Computed tomography, abdomen; axial view; 25-year-old male patient; 15 organs annotated in this scan (that count is for the whole scan; organs this slice misses have no box)
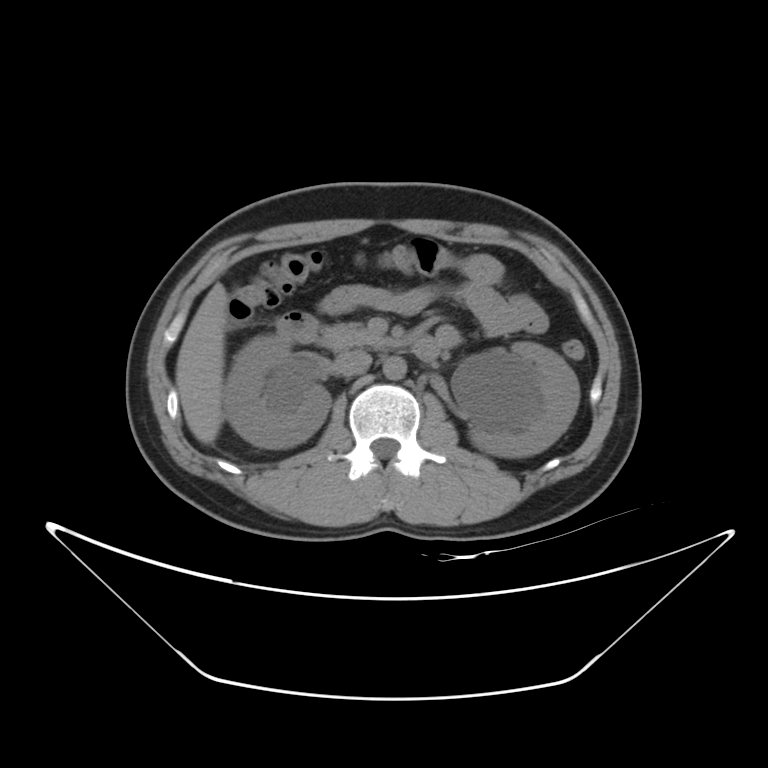
Boxes are (x1, y1, x2, y2) in pixels.
right kidney: (222, 334, 329, 448)
left kidney: (469, 342, 579, 457)
liver: (176, 283, 227, 443)
aorta: (382, 356, 406, 380)
inferior vena cava: (334, 350, 371, 376)
pancreas: (320, 323, 389, 350)
duodenum: (276, 311, 440, 362)